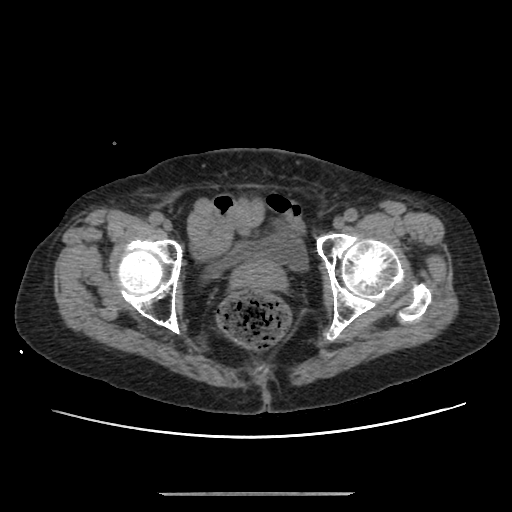
Computed tomography, abdomen. axial view. soft-tissue window
Box edges are left/top/right/bottom in pixels.
Organ bounding boxes:
- bladder: left=210, top=232, right=306, bottom=271
- prostate/uterus: left=230, top=256, right=287, bottom=291